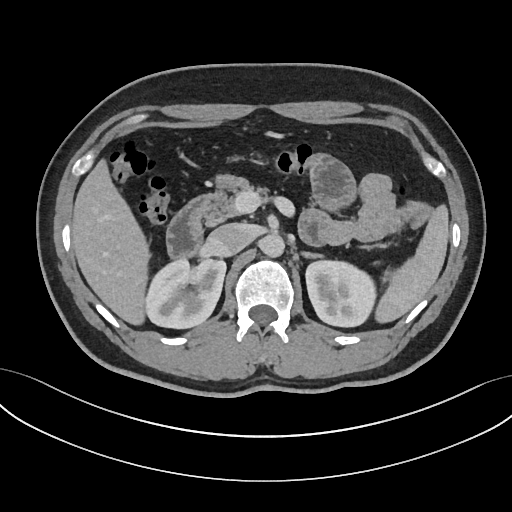 CT, abdomen/pelvis — axial plane, index 181 — 512x512 px
Bounding boxes in pixels, one row per box: x1, y1 is the top-left corner and x2, y2 the bottom-right.
| organ | x1 | y1 | x2 | y2 |
|---|---|---|---|---|
| spleen | 375 | 205 | 448 | 322 |
| right kidney | 145 | 258 | 226 | 328 |
| left kidney | 306 | 260 | 376 | 326 |
| liver | 72 | 159 | 150 | 324 |
| aorta | 260 | 234 | 284 | 257 |
| inferior vena cava | 206 | 223 | 255 | 256 |
| pancreas | 203 | 174 | 266 | 224 |
| left adrenal gland | 302 | 252 | 321 | 258 |
| duodenum | 166 | 197 | 203 | 257 |